Abdominal CT — axial view — 54-year-old male patient
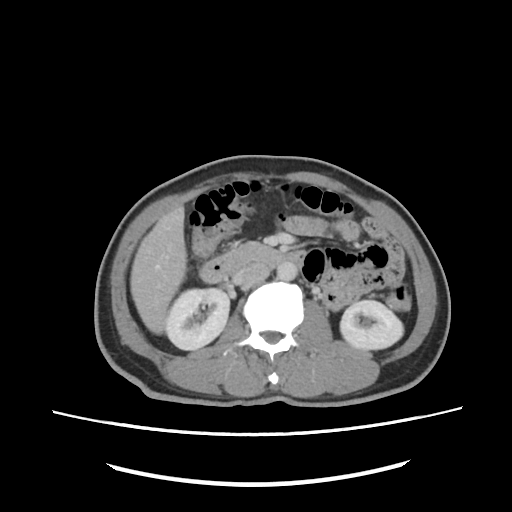 {"organs":{"right kidney":[165,288,229,349],"left kidney":[340,300,403,349],"liver":[130,206,186,334],"aorta":[277,262,297,280],"inferior vena cava":[235,263,269,285],"pancreas":[228,242,266,257],"duodenum":[199,247,305,282]}}